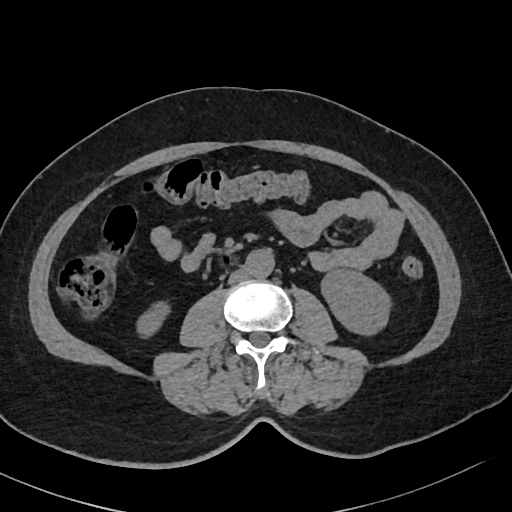 Computed tomography, abdomen; axial view; abdomen soft-tissue window
{"organs":{"right kidney":[136,301,170,338],"left kidney":[321,269,390,334],"aorta":[245,249,274,277],"inferior vena cava":[228,269,246,283]}}